CT abdomen — axial view
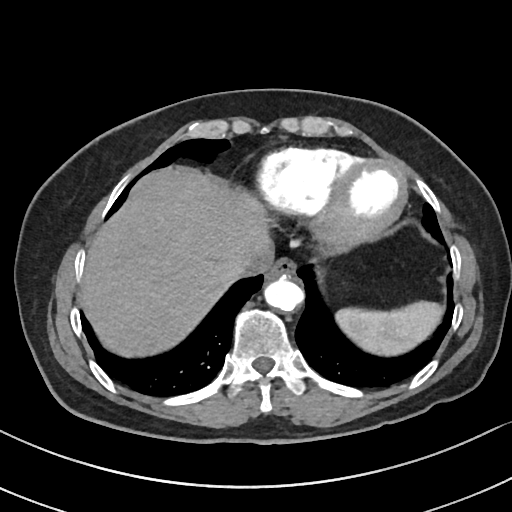
Each box given as x1,y1,x2,y2.
Organ bounding boxes:
- spleen: x1=336, y1=301, x2=443, y2=355
- liver: x1=80, y1=167, x2=272, y2=357
- esophagus: x1=266, y1=257, x2=296, y2=279
- aorta: x1=264, y1=276, x2=303, y2=312
- inferior vena cava: x1=220, y1=249, x2=273, y2=282